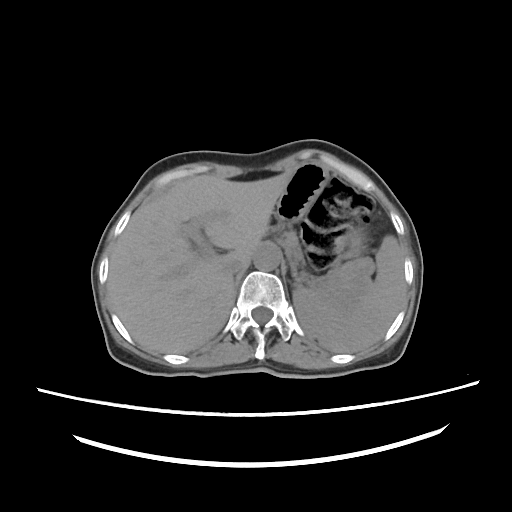

CT, abdomen/pelvis; axial view; 512x512 px; 58-year-old female patient
Bounding boxes as [x1, y1, x2, y2] in pixel coordinates.
spleen: [292, 235, 404, 352]
liver: [108, 173, 290, 353]
stomach: [274, 163, 373, 310]
aorta: [254, 245, 281, 270]
inferior vena cava: [225, 259, 246, 274]
pancreas: [283, 232, 302, 260]